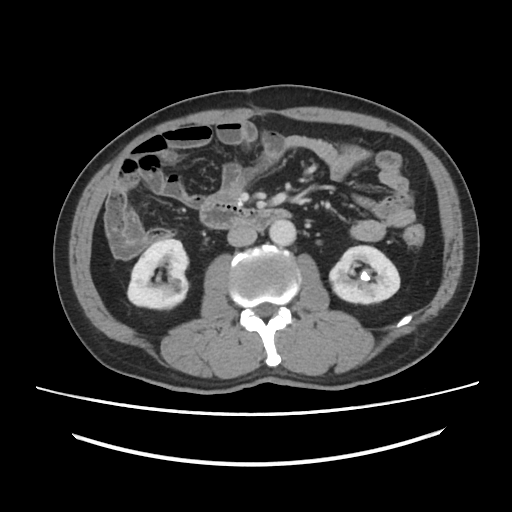
CT abdomen; axial view; 58-year-old male patient
<organs><organ name="right kidney" x1="127" y1="239" x2="188" y2="308"/><organ name="left kidney" x1="329" y1="246" x2="399" y2="303"/><organ name="aorta" x1="269" y1="219" x2="296" y2="246"/><organ name="inferior vena cava" x1="227" y1="225" x2="257" y2="246"/><organ name="duodenum" x1="200" y1="197" x2="291" y2="229"/></organs>